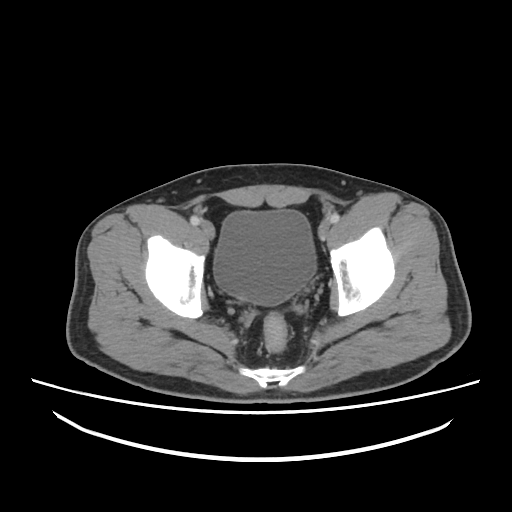

CT, abdomen/pelvis · axial plane, index 22
Organ boxes in pixel coordinates; each row gives the top-left (x1, y1) and bottom-right (x2, y2) corners.
| organ | x1 | y1 | x2 | y2 |
|---|---|---|---|---|
| bladder | 213 | 209 | 316 | 305 |